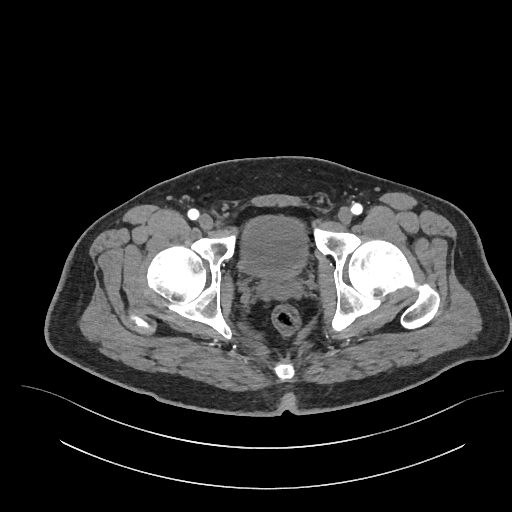
CT abdomen — axial view — soft-tissue window — 15 organs annotated in this scan (that count is for the whole scan; organs this slice misses have no box)
{"organs":{"bladder":[238,215,309,277],"prostate/uterus":[265,275,290,285]}}